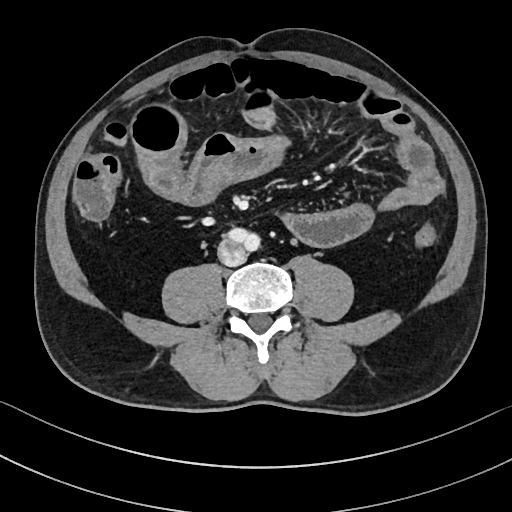

CT abdomen — axial view — abdomen soft-tissue window — acquired on SOMATOM Force
One row per box, in pixels: columns x1 and y1 give the top-left corner, x2 and y2 the bottom-right.
| organ | x1 | y1 | x2 | y2 |
|---|---|---|---|---|
| inferior vena cava | 218 | 238 | 246 | 265 |